Lower-chest slice from an abdominal CT, just above the liver and spleen · Axial slice 212/306
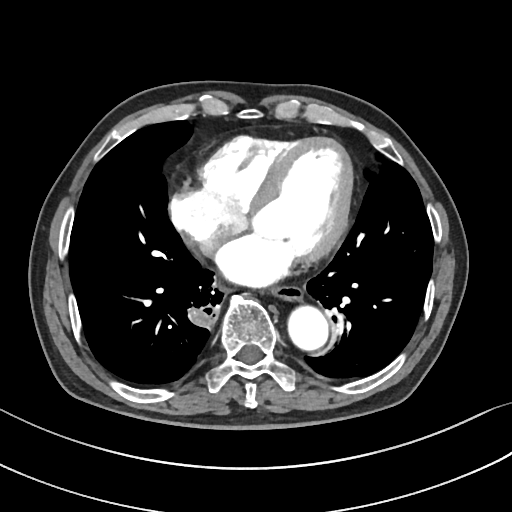

Of the structures in the chest, this dataset labels only the esophagus, the aorta and the inferior vena cava; the heart and lungs have no label.
Boxes are (x1, y1, x2, y2) in pixels.
esophagus: (272, 286, 302, 301)
aorta: (288, 306, 328, 350)